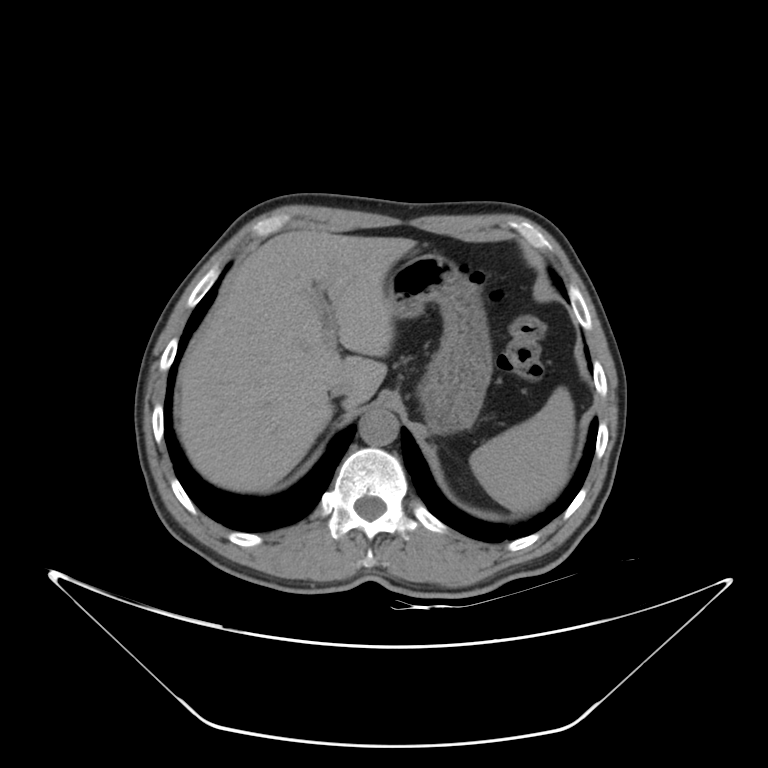

Computed tomography, abdomen — Axial slice 76/83 — 59-year-old male patient
Bounding boxes as [x1, y1, x2, y2] in pixel coordinates.
spleen: [469, 387, 574, 513]
liver: [177, 230, 415, 492]
stomach: [387, 253, 492, 433]
aorta: [358, 408, 398, 445]
inferior vena cava: [329, 376, 359, 404]